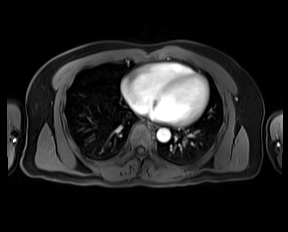

MRI of the abdomen reaching into the lower chest, slice just above the liver and spleen — axial plane, index 68
Of the structures in the chest, this dataset labels only the esophagus, the aorta and the inferior vena cava; the heart and lungs have no label.
<organs><organ name="esophagus" x1="150" y1="123" x2="157" y2="128"/><organ name="aorta" x1="156" y1="128" x2="170" y2="142"/><organ name="inferior vena cava" x1="130" y1="102" x2="146" y2="113"/></organs>